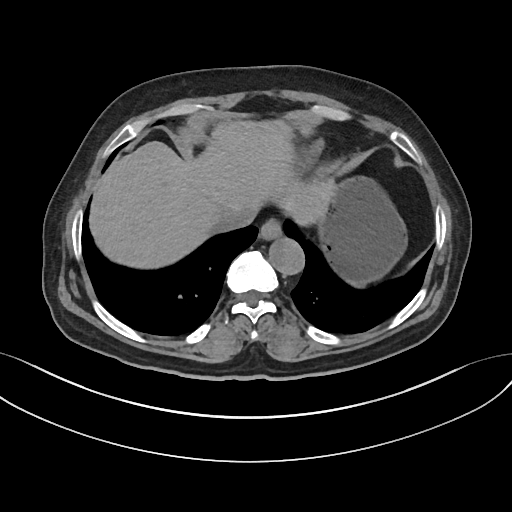 Computed tomography, abdomen. Axial slice 186/207. soft-tissue window (W 400 / L 40)
<organs><organ name="esophagus" x1="259" y1="219" x2="282" y2="239"/><organ name="liver" x1="89" y1="120" x2="335" y2="268"/><organ name="stomach" x1="316" y1="176" x2="407" y2="284"/><organ name="aorta" x1="269" y1="238" x2="304" y2="275"/><organ name="inferior vena cava" x1="216" y1="206" x2="255" y2="230"/></organs>